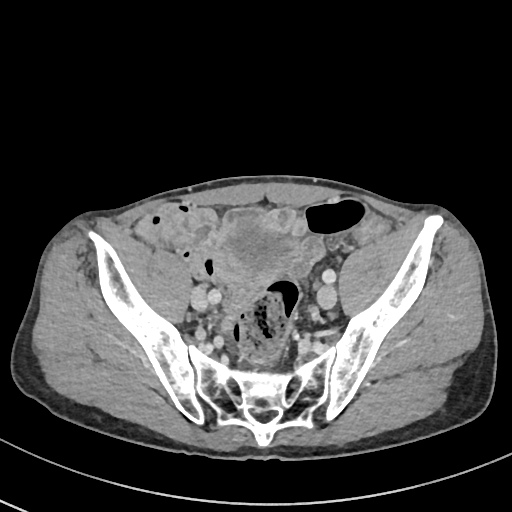

Abdominal CT. axial view. soft-tissue window. acquired on SOMATOM Force
Bounding boxes as [x1, y1, x2, y2] in pixel coordinates. Labeled organs on this slice: bladder at [231, 225, 285, 266].